Computed tomography, abdomen; axial plane, index 156; abdomen soft-tissue window; 512x512 px; 15 organs annotated in this scan (counted over the whole 3D scan, not this slice; an organ is boxed only where this slice passes through it)
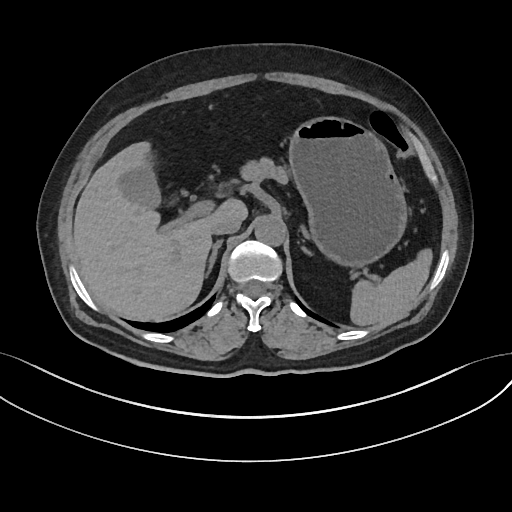

Bounding boxes in pixels, one row per box: x1, y1 is the top-left corner and x2, y2 the bottom-right.
| organ | x1 | y1 | x2 | y2 |
|---|---|---|---|---|
| spleen | 351 | 249 | 432 | 325 |
| gall bladder | 118 | 158 | 161 | 209 |
| liver | 74 | 141 | 246 | 320 |
| stomach | 289 | 116 | 406 | 263 |
| aorta | 255 | 216 | 285 | 244 |
| inferior vena cava | 211 | 217 | 240 | 234 |
| pancreas | 241 | 157 | 288 | 185 |
| right adrenal gland | 208 | 239 | 223 | 275 |
| left adrenal gland | 298 | 241 | 313 | 255 |